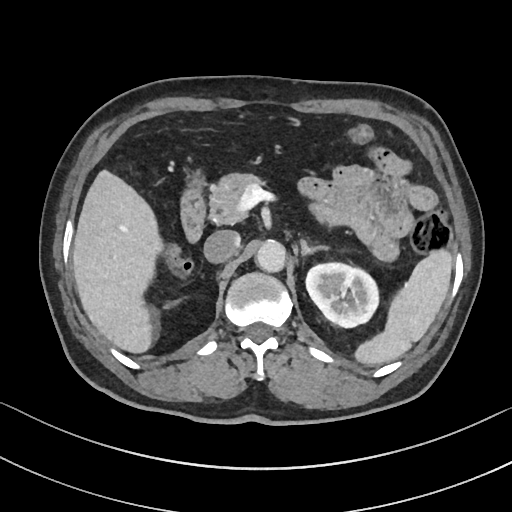 Computed tomography, abdomen · Axial slice 168/221 · soft-tissue window (W 400 / L 40) · SOMATOM Force scanner
Boxes: x1:y1:x2:y2 in pixels.
spleen: 355:249:453:365
left kidney: 306:262:379:327
liver: 72:170:163:352
aorta: 255:239:285:272
inferior vena cava: 203:230:240:262
pancreas: 209:173:263:224
left adrenal gland: 300:239:326:256
duodenum: 181:170:204:242